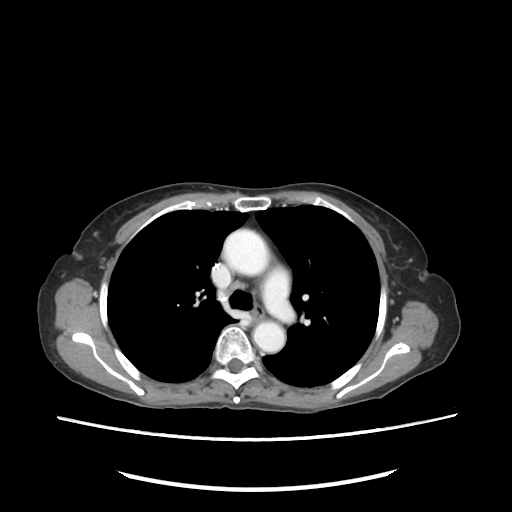

CT of the abdomen extending into the chest, slice through the chest. axial view. 73-year-old female patient. Aquilion ONE scanner. 15 organs annotated in this scan (counted over the whole 3D scan, not this slice; an organ is boxed only where this slice passes through it)
At this level of the chest this dataset labels only the esophagus and the aorta, and each is boxed only where it is labeled; the heart and lungs are never labeled.
One row per box, in pixels: columns x1 and y1 give the top-left corner, x2 and y2 the bottom-right.
| organ | x1 | y1 | x2 | y2 |
|---|---|---|---|---|
| aorta | 222 | 228 | 268 | 276 |
| aorta | 252 | 321 | 285 | 352 |